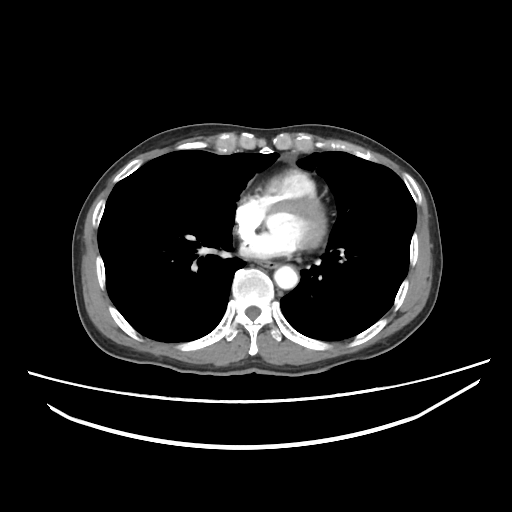
Abdominal CT reaching into the chest; this slice is in the chest. Axial slice 63/109. 63-year-old male patient
At this level of the chest this dataset labels only the esophagus and the aorta, and each is boxed only where it is labeled; the heart and lungs are never labeled.
<organs><organ name="esophagus" x1="259" y1="261" x2="277" y2="267"/><organ name="aorta" x1="274" y1="265" x2="298" y2="289"/></organs>